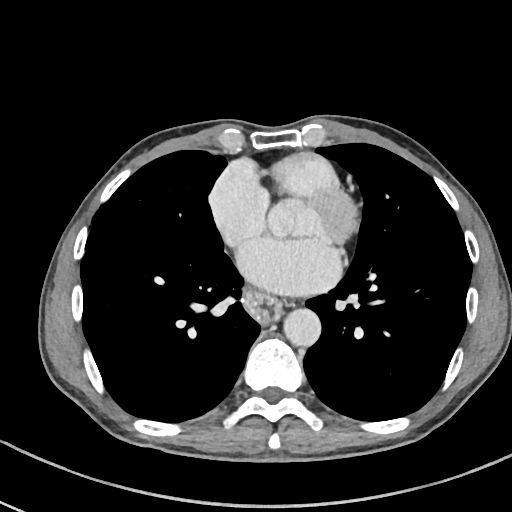

Lower-chest slice from an abdominal CT, just above the liver and spleen — axial view — soft-tissue window (W 400 / L 40)
The heart and lungs are never labeled in this dataset, so they have no box on this slice.
Organ boxes in pixel coordinates; each row gives the top-left (x1, y1) and bottom-right (x2, y2) corners.
| organ | x1 | y1 | x2 | y2 |
|---|---|---|---|---|
| esophagus | 243 | 291 | 281 | 326 |
| aorta | 283 | 308 | 320 | 346 |